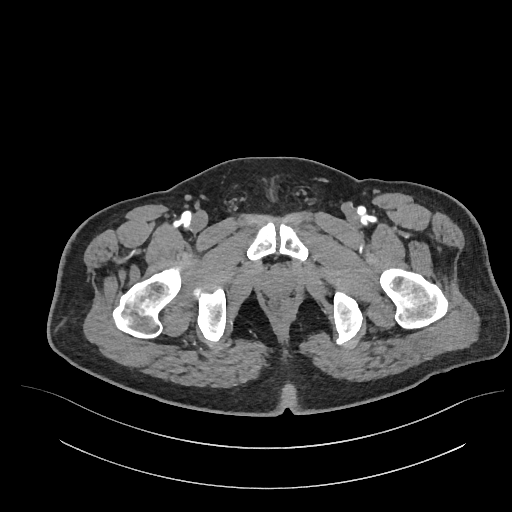

CT abdomen. axial view. acquired on SOMATOM Force
One row per box, in pixels: columns x1 and y1 give the top-left corner, x2 and y2 the bottom-right.
| organ | x1 | y1 | x2 | y2 |
|---|---|---|---|---|
| prostate/uterus | 266 | 273 | 290 | 293 |